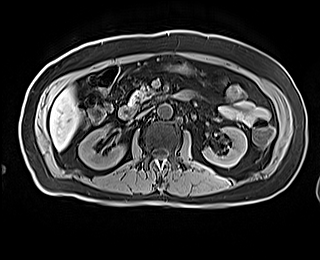 MRI, abdomen — axial plane, index 19 — 320x260 px — Prisma scanner — scan has 13 labeled organs (that count is for the whole scan; organs this slice misses have no box)
Coordinates as <box>x1,y1,x2,y2</box> in pixels.
Organ bounding boxes:
- duodenum: <box>118,106,137,119</box>
- stomach: <box>165,63,193,75</box>
- aorta: <box>157,104,172,118</box>
- liver: <box>49,87,80,150</box>
- inferior vena cava: <box>137,109,148,118</box>
- left kidney: <box>203,127,247,167</box>
- right kidney: <box>78,125,125,169</box>
- pancreas: <box>129,84,152,106</box>